Abdominal CT — axial view — soft-tissue window — 768x768 px
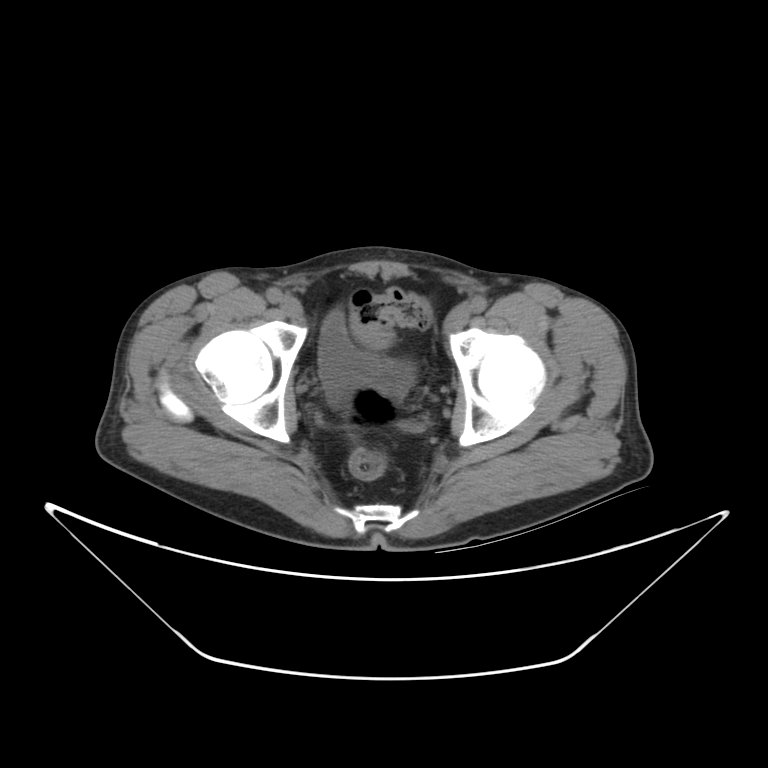
Organ boxes in pixel coordinates; each row gives the top-left (x1, y1) and bottom-right (x2, y2) corners.
| organ | x1 | y1 | x2 | y2 |
|---|---|---|---|---|
| bladder | 316 | 310 | 414 | 399 |